CT abdomen; axial plane, index 34; abdomen soft-tissue window; SOMATOM Force scanner
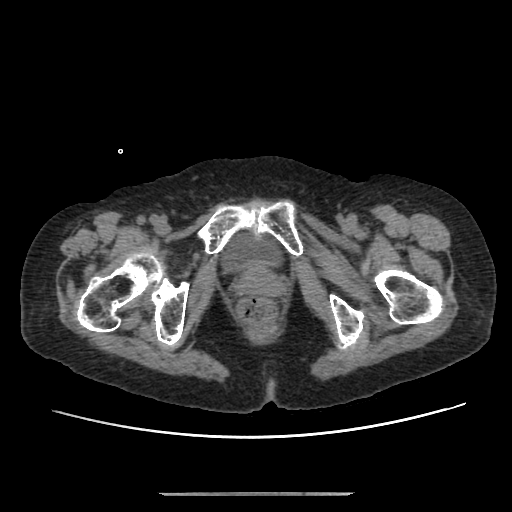
Bounding boxes in pixels, one row per box: x1, y1 is the top-left corner and x2, y2 the bottom-right.
| organ | x1 | y1 | x2 | y2 |
|---|---|---|---|---|
| bladder | 225 | 235 | 281 | 269 |